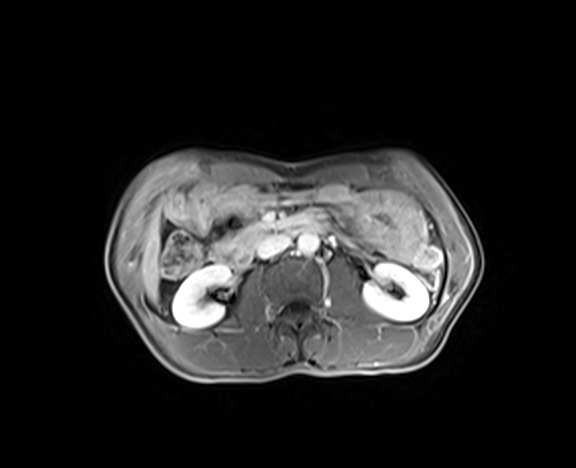

Abdominal MR. axial view. 1st–99th percentile window. 576x468 px. 13 organs annotated in this scan (a whole-scan count: organs this slice does not pass through have no box)
One row per box, in pixels: columns x1 and y1 give the top-left corner, x2 and y2 the bottom-right.
| organ | x1 | y1 | x2 | y2 |
|---|---|---|---|---|
| right kidney | 172 | 265 | 231 | 328 |
| left kidney | 362 | 263 | 428 | 321 |
| liver | 141 | 209 | 160 | 303 |
| aorta | 297 | 233 | 319 | 254 |
| inferior vena cava | 255 | 233 | 290 | 258 |
| pancreas | 232 | 221 | 275 | 248 |
| duodenum | 212 | 215 | 325 | 268 |